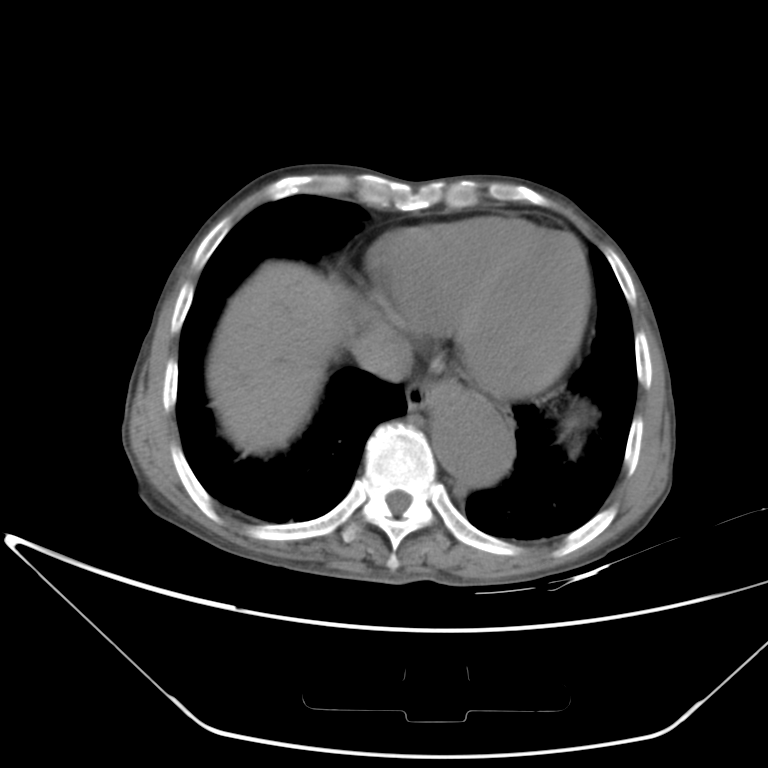
CT, abdomen/pelvis · axial view · 768x768 px · 66-year-old male patient
Bounding boxes in pixels, one row per box: x1, y1 is the top-left corner and x2, y2 the bottom-right.
| organ | x1 | y1 | x2 | y2 |
|---|---|---|---|---|
| esophagus | 406 | 378 | 452 | 411 |
| liver | 206 | 261 | 348 | 454 |
| aorta | 430 | 383 | 512 | 486 |
| inferior vena cava | 351 | 325 | 413 | 381 |